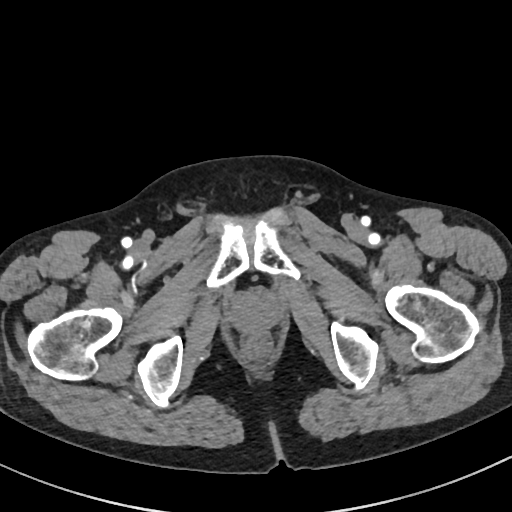
Computed tomography, abdomen — Axial slice 21/303
{"organs":{"prostate/uterus":[228,291,282,333]}}